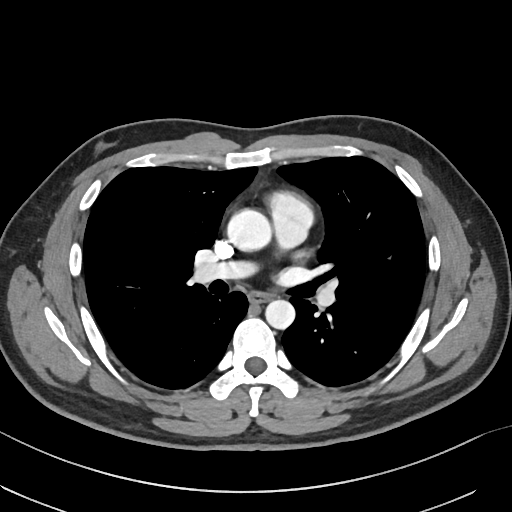

Abdominal CT reaching into the chest; this slice is in the chest. axial view. 512x512 px
On a slice this high in the chest, this dataset labels only the esophagus and the aorta, and each is boxed only where it is labeled; the heart, lungs and other chest structures are not labeled.
<organs><organ name="esophagus" x1="249" y1="293" x2="270" y2="303"/><organ name="aorta" x1="228" y1="209" x2="273" y2="252"/><organ name="aorta" x1="265" y1="299" x2="295" y2="329"/></organs>